CT of the abdomen reaching into the lower chest, slice just above the liver and spleen; axial view; 512x512 px
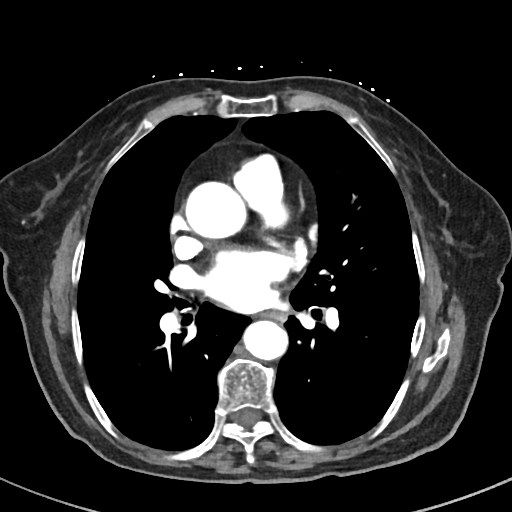 The heart and lungs are never labeled in this dataset, so they have no box on this slice.
Boxes: x1:y1:x2:y2 in pixels.
aorta: 184:180:245:238
aorta: 244:320:289:360
esophagus: 263:311:287:322